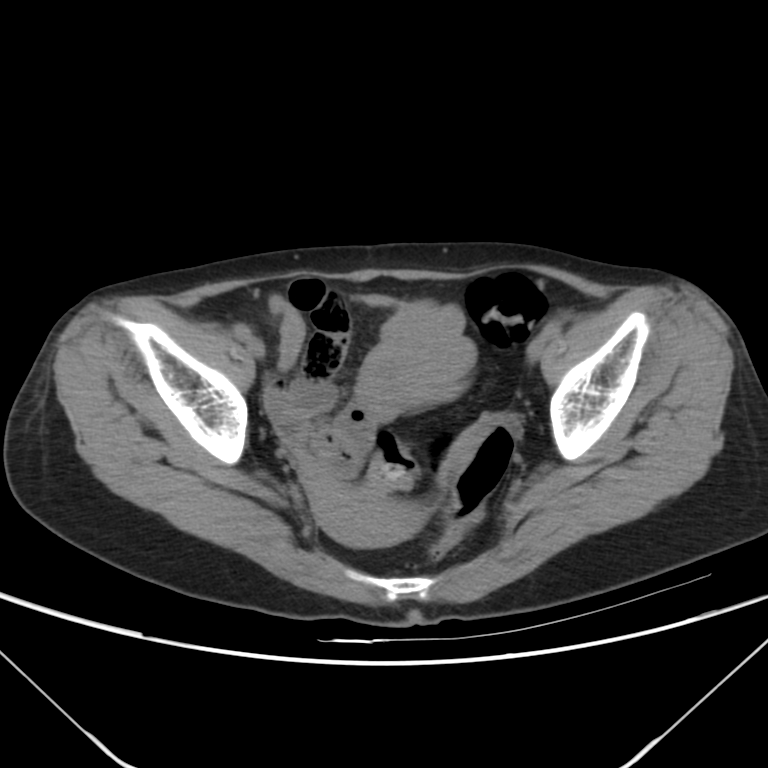
CT, abdomen/pelvis; axial view; 63-year-old female patient
Box edges are left/top/right/bottom in pixels. Labeled organs on this slice: prostate/uterus at left=307, top=476, right=420, bottom=543.